Computed tomography, abdomen. axial view. W/L 400/40 HU. 768x768 px. 52-year-old male patient. scan has 14 labeled organs (a whole-scan count: organs this slice does not pass through have no box)
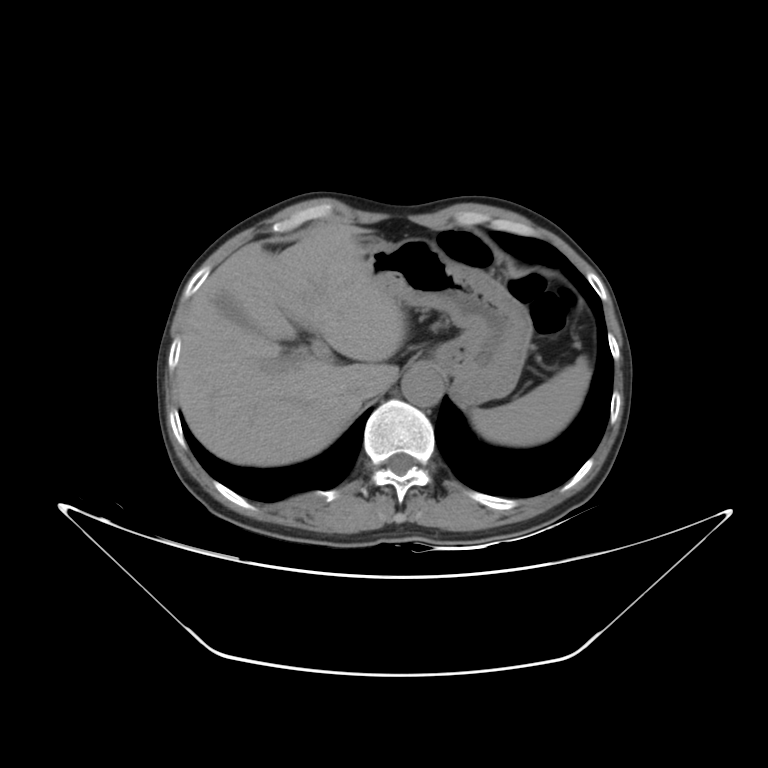 <organs><organ name="spleen" x1="471" y1="356" x2="591" y2="446"/><organ name="gall bladder" x1="214" y1="292" x2="251" y2="327"/><organ name="liver" x1="175" y1="223" x2="407" y2="466"/><organ name="stomach" x1="362" y1="237" x2="532" y2="405"/><organ name="aorta" x1="402" y1="366" x2="443" y2="407"/><organ name="inferior vena cava" x1="346" y1="383" x2="367" y2="400"/></organs>